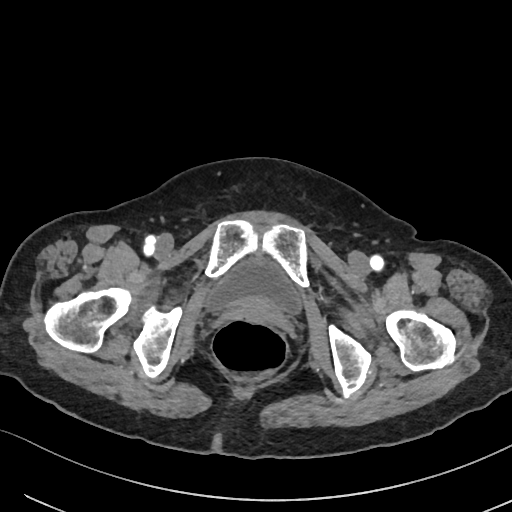 Computed tomography, abdomen; Axial slice 28/297; soft-tissue window (W 400 / L 40)
Boxes are (x1, y1, x2, y2) in pixels.
Organ bounding boxes:
- bladder: (203, 254, 303, 313)